CT of the abdomen reaching into the lower chest, slice just above the liver and spleen · Axial slice 331/353 · scan has 15 labeled organs (a whole-scan count: organs this slice does not pass through have no box)
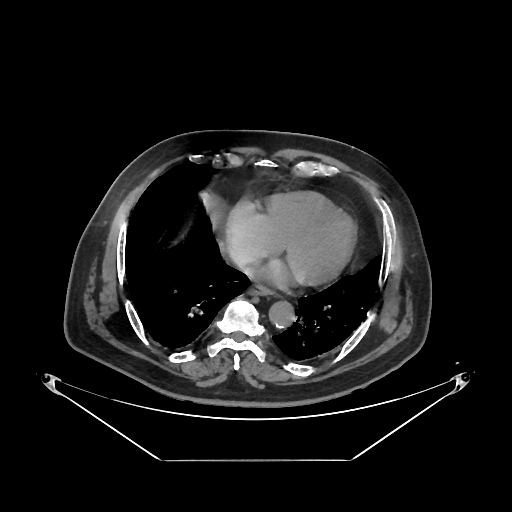

Of the structures in the chest, this dataset labels only the esophagus, the aorta and the inferior vena cava; the heart and lungs have no label.
{"organs":{"esophagus":[248,284,272,295],"inferior vena cava":[228,248,255,268],"aorta":[268,301,294,327]}}